Abdominal CT reaching into the chest; this slice is in the chest — axial view — 512x512 px — 15 organs annotated in this scan (counted over the whole 3D scan, not this slice; an organ is boxed only where this slice passes through it)
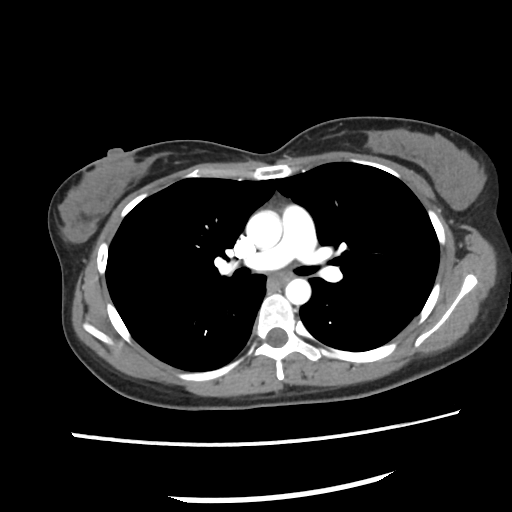

At this level of the chest this dataset labels only the esophagus and the aorta, and each is boxed only where it is labeled; the heart and lungs are never labeled. Box edges are left/top/right/bottom in pixels. 2 labeled organs on this slice — esophagus at left=276, top=272, right=291, bottom=286; aorta at left=245, top=211, right=282, bottom=249; aorta at left=286, top=278, right=310, bottom=305.